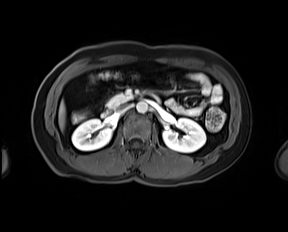

Magnetic resonance imaging, abdomen — axial view — 1st–99th percentile window — 288x232 px
Coordinates as <box>x1,y1,x2,y2</box> in pixels. The annotated organs in this slice are: right kidney at <box>71,119,111,150</box>, left kidney at <box>163,118,206,152</box>, liver at <box>58,100,65,131</box>, aorta at <box>136,101,148,113</box>, inferior vena cava at <box>117,105,128,112</box>, pancreas at <box>107,93,131,108</box>, duodenum at <box>101,93,160,117</box>.